CT of the abdomen extending into the chest, slice through the chest · axial view · scan has 15 labeled organs (a whole-scan count: organs this slice does not pass through have no box)
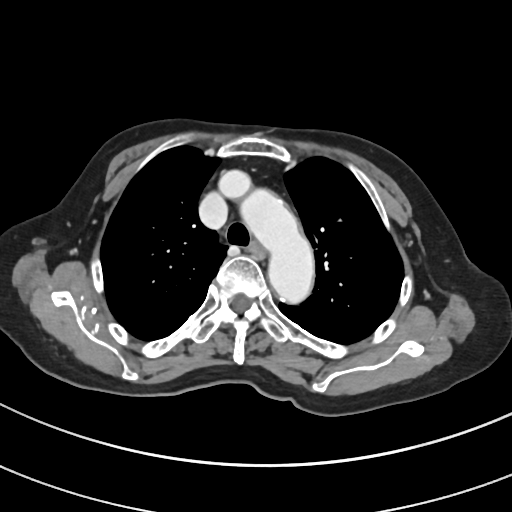 At this level of the chest this dataset labels only the esophagus and the aorta, and each is boxed only where it is labeled; the heart and lungs are never labeled.
<organs><organ name="esophagus" x1="250" y1="243" x2="263" y2="257"/><organ name="aorta" x1="242" y1="191" x2="313" y2="300"/></organs>